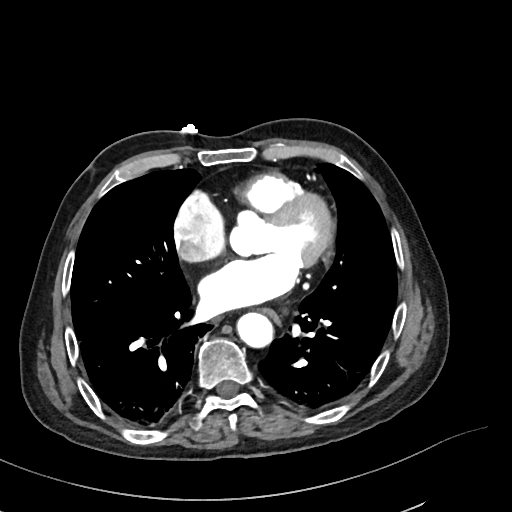
Lower-chest slice from an abdominal CT, just above the liver and spleen. Axial slice 229/235
Of the structures in the chest, this dataset labels only the esophagus, the aorta and the inferior vena cava; the heart and lungs have no label. Each box given as x1,y1,x2,y2. 2 labeled organs on this slice — esophagus at x1=262, y1=309, x2=280, y2=323; aorta at x1=237, y1=312, x2=273, y2=347.